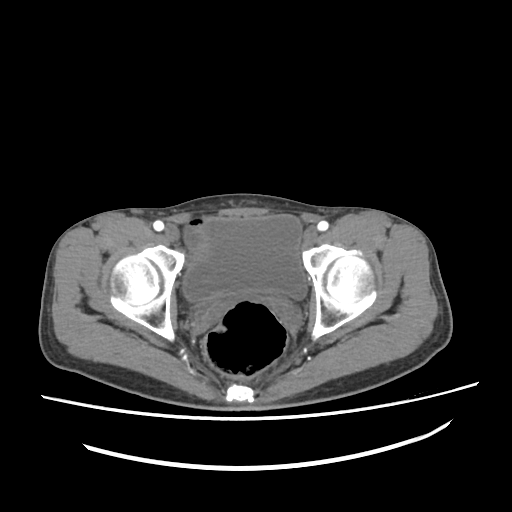

Abdominal CT. axial view. 50-year-old male patient
Bounding boxes as [x1, y1, x2, y2] in pixel coordinates.
bladder: [183, 215, 306, 301]